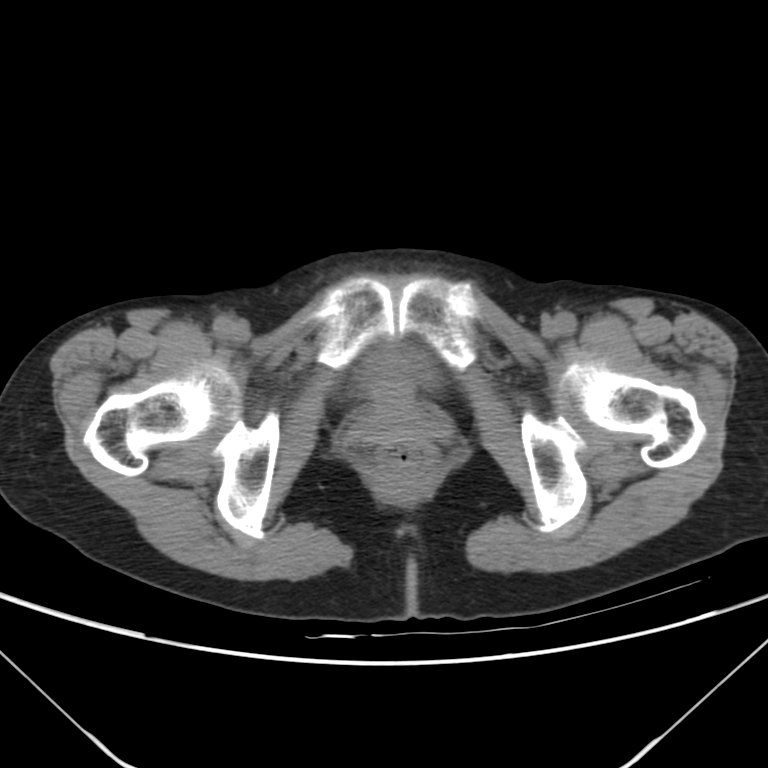
CT abdomen. axial view
{"organs":{"bladder":[356,343,433,387]}}